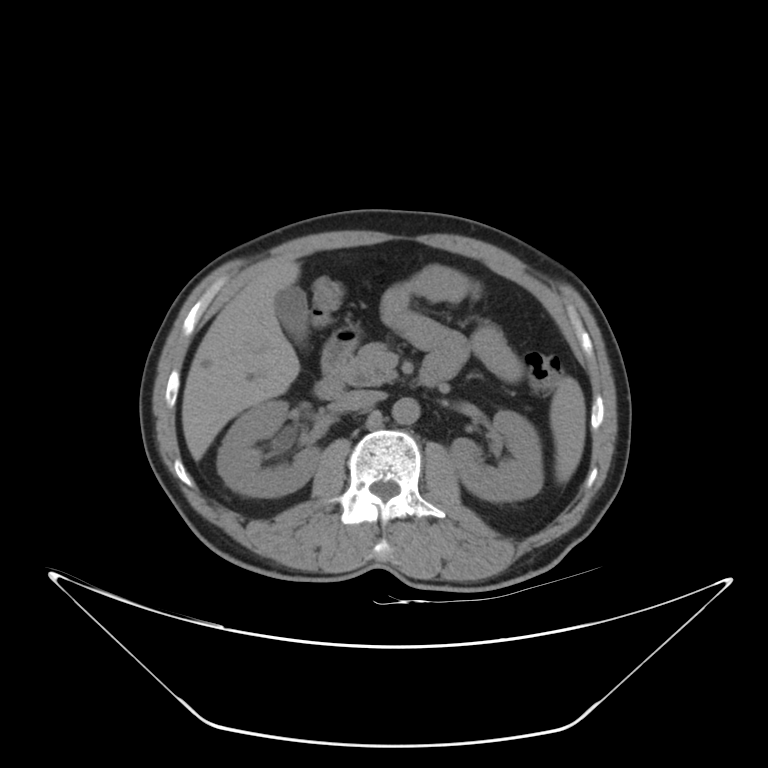 Abdominal CT — axial view — abdomen soft-tissue window — 768x768 px — acquired on Brilliance16
<organs><organ name="spleen" x1="550" y1="376" x2="586" y2="483"/><organ name="right kidney" x1="217" y1="401" x2="319" y2="496"/><organ name="left kidney" x1="449" y1="411" x2="544" y2="501"/><organ name="gall bladder" x1="275" y1="285" x2="307" y2="344"/><organ name="liver" x1="181" y1="262" x2="300" y2="460"/><organ name="aorta" x1="392" y1="397" x2="419" y2="424"/><organ name="inferior vena cava" x1="339" y1="389" x2="382" y2="410"/><organ name="pancreas" x1="342" y1="343" x2="397" y2="386"/><organ name="duodenum" x1="313" y1="327" x2="440" y2="400"/></organs>